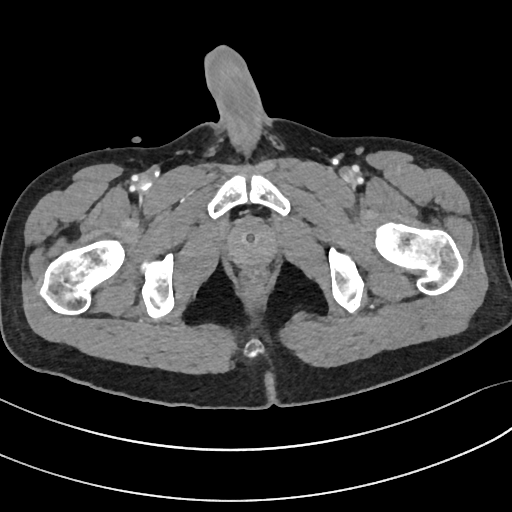
CT abdomen. Axial slice 11/251. W/L 400/40 HU
Boxes: x1 y1 x2 y2 (pixel coords, space-separated).
prostate/uterus: 226 223 276 266